CT, abdomen/pelvis; axial view; SOMATOM Force scanner; scan has 15 labeled organs (a whole-scan count: organs this slice does not pass through have no box)
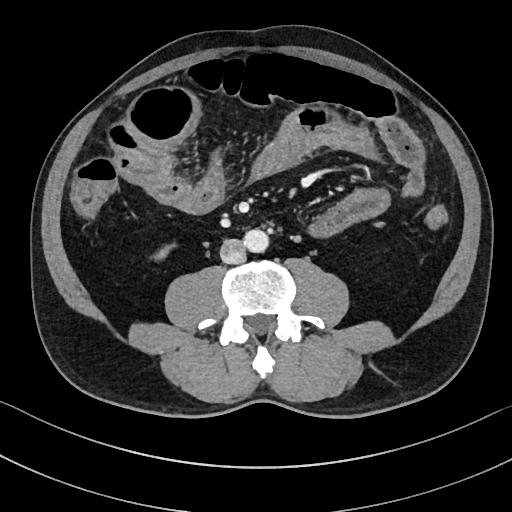
Bounding boxes as [x1, y1, x2, y2] in pixel coordinates.
right kidney: [159, 246, 173, 257]
aorta: [242, 229, 267, 252]
inferior vena cava: [220, 238, 245, 264]